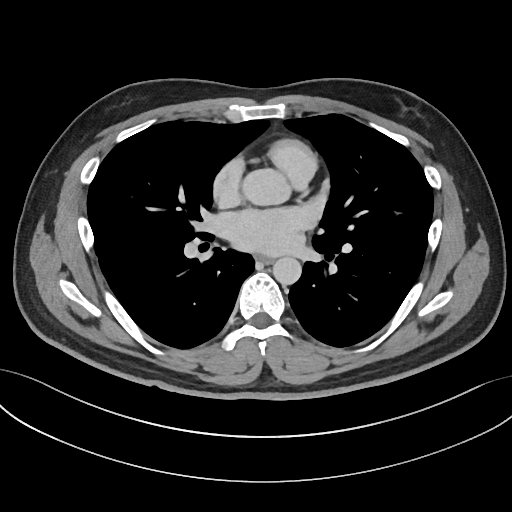
Chest-level CT slice, above the liver and spleen · Axial slice 270/345 · W/L 400/40 HU · 512x512 px · acquired on SOMATOM Force
At this level of the chest this dataset labels only the esophagus and the aorta, and each is boxed only where it is labeled; the heart and lungs are never labeled.
Boxes: x1:y1:x2:y2 in pixels.
aorta: 272:257:301:285
esophagus: 255:255:273:264